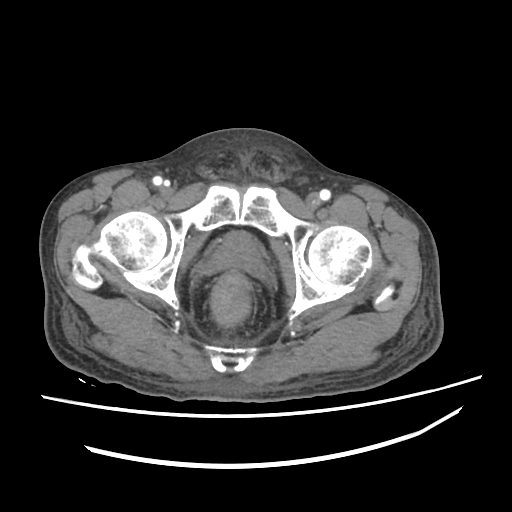 Abdominal CT; Axial slice 24/103; soft-tissue window (W 400 / L 40); 512x512 px; 50-year-old male patient
{"organs":{"prostate/uterus":[215,231,261,266]}}